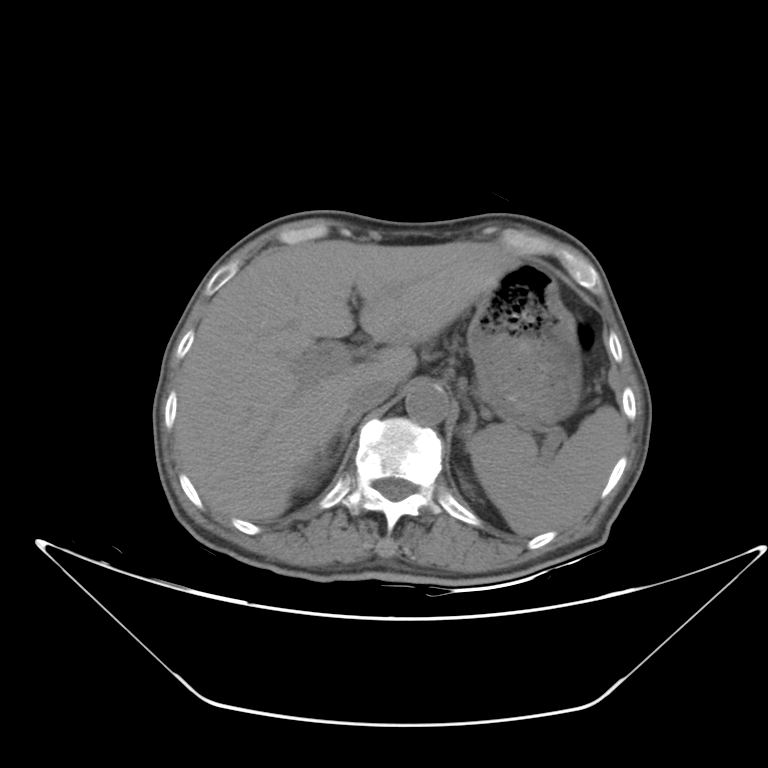 Abdominal CT. axial view. 768x768 px. scan has 15 labeled organs (counted over the whole 3D scan, not this slice; an organ is boxed only where this slice passes through it)
Coordinates as <box>x1,y1,x2,y2</box> in pixels.
Organ bounding boxes:
- spleen: <box>470,406,624,536</box>
- right kidney: <box>296,458,324,485</box>
- liver: <box>175,240,519,521</box>
- stomach: <box>467,258,585,423</box>
- aorta: <box>404,379,448,427</box>
- inferior vena cava: <box>346,382,393,413</box>
- right adrenal gland: <box>320,413,361,460</box>
- left adrenal gland: <box>459,397,477,455</box>